CT, abdomen/pelvis — Axial slice 85/105 — abdomen soft-tissue window — scan has 15 labeled organs (counted over the whole 3D scan, not this slice; an organ is boxed only where this slice passes through it)
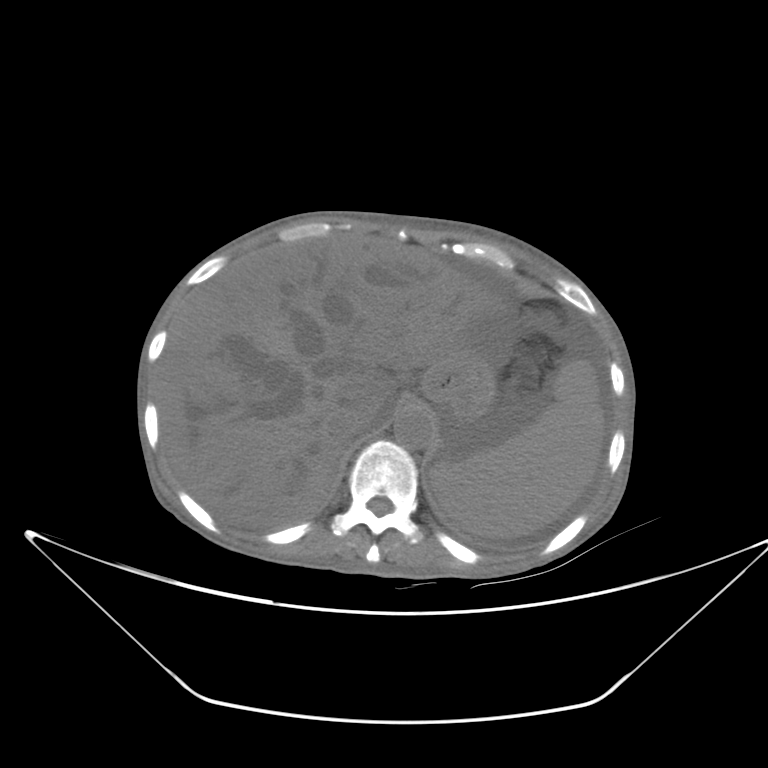

Box edges are left/top/right/bottom in pixels.
inferior vena cava: left=331, top=409, right=383, bottom=441
liver: left=156, top=234, right=523, bottom=527
spleen: left=429, top=358, right=605, bottom=538
stomach: left=420, top=346, right=496, bottom=423
aorta: left=393, top=406, right=434, bottom=449